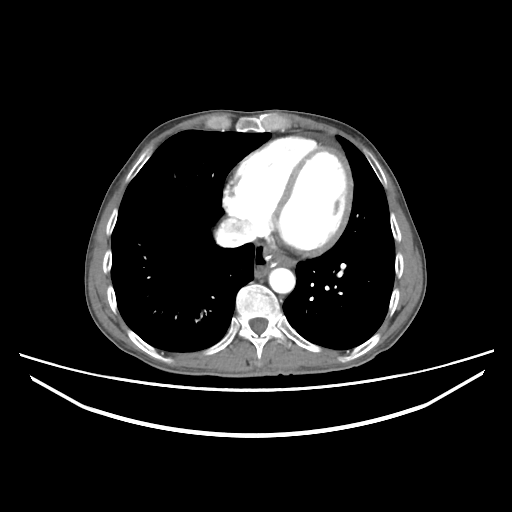

CT of the abdomen reaching into the lower chest, slice just above the liver and spleen · axial view · soft-tissue window · 50-year-old male patient
No part of the heart or lungs is labeled in this dataset, so neither has a box here.
Bounding boxes in pixels, one row per box: x1, y1 is the top-left corner and x2, y2 the bottom-right.
| organ | x1 | y1 | x2 | y2 |
|---|---|---|---|---|
| aorta | 269 | 267 | 295 | 293 |
| inferior vena cava | 216 | 220 | 253 | 247 |